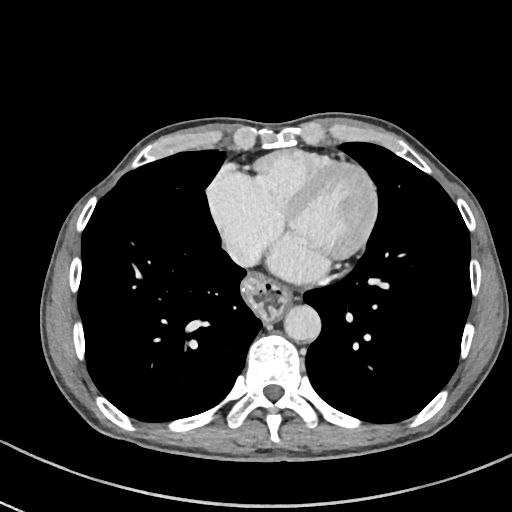
Abdominal CT; this slice is in the lower chest, just above the liver. axial view
Of the structures in the chest, this dataset labels only the esophagus, the aorta and the inferior vena cava; the heart and lungs have no label. Each box given as x1,y1,x2,y2. 3 labeled organs on this slice — esophagus at x1=243, y1=275, x2=291, y2=322; aorta at x1=284, y1=305, x2=321, y2=341; inferior vena cava at x1=226, y1=236, x2=261, y2=267.